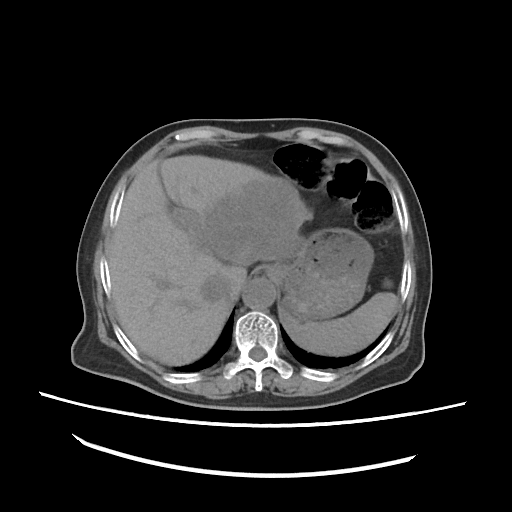
CT abdomen. axial plane, index 81. soft-tissue window
Boxes are (x1, y1, x2, y2) in pixels. Labeled organs on this slice: spleen at (279, 292, 398, 354), liver at (108, 156, 313, 365), stomach at (265, 227, 373, 322), aorta at (242, 278, 275, 309), inferior vena cava at (201, 278, 229, 302).